Abdominal CT. axial view. W/L 400/40 HU. scan has 15 labeled organs (that count is for the whole scan; organs this slice misses have no box)
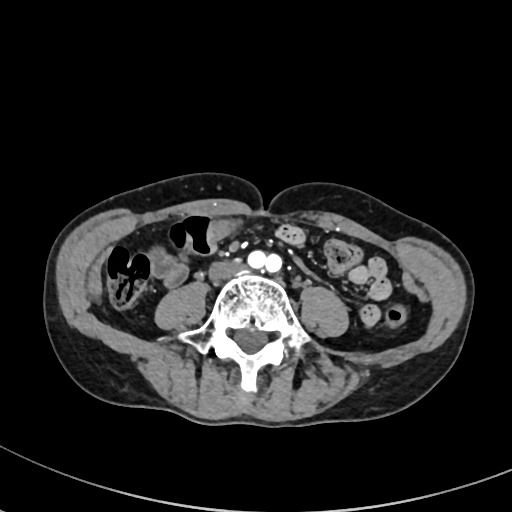

Box edges are left/top/right/bottom in pixels. The annotated organs in this slice are: inferior vena cava at left=208, top=260, right=244, bottom=280.